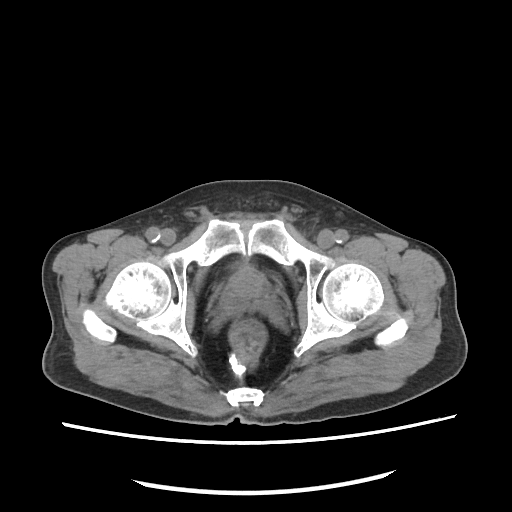
Abdominal CT. axial plane, index 13. soft-tissue window. 68-year-old male patient. acquired on Aquilion ONE
<organs><organ name="prostate/uterus" x1="226" y1="268" x2="267" y2="300"/></organs>